Abdominal CT; axial plane, index 84
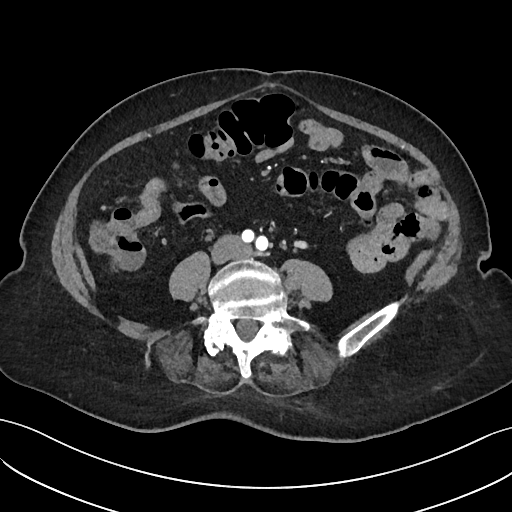

{"organs":{"inferior vena cava":[213,236,244,261]}}